Chest-level slice from an abdominal CT that extends up into the chest — Axial slice 105/124 — soft-tissue window — Aquilion ONE scanner — 15 organs annotated in this scan (a whole-scan count: organs this slice does not pass through have no box)
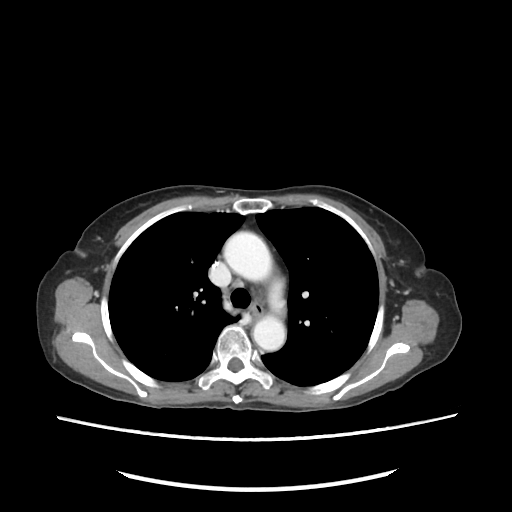

At this level of the chest no structure but the esophagus and the aorta has a label in this dataset, and those two are boxed only where they are labeled.
<organs><organ name="aorta" x1="222" y1="231" x2="271" y2="279"/><organ name="aorta" x1="252" y1="316" x2="286" y2="351"/></organs>